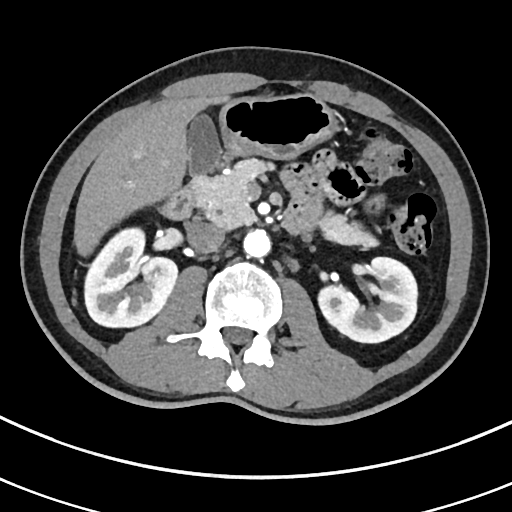
Computed tomography, abdomen. Axial slice 132/302. scan has 15 labeled organs (that count is for the whole scan; organs this slice misses have no box)
Box edges are left/top/right/bottom in pixels.
liver: left=74, top=94, right=230, bottom=256
gall bladder: left=187, top=113, right=221, bottom=174
inferior vena cava: left=187, top=222, right=224, bottom=254
stomach: left=219, top=94, right=336, bottom=159
left kidney: left=318, top=257, right=417, bottom=342
pancreas: left=193, top=159, right=375, bottom=246
duodenum: left=159, top=174, right=295, bottom=230
aorta: left=243, top=229, right=270, bottom=257
right kidney: left=84, top=227, right=177, bottom=327